Abdominal CT; this slice is in the lower chest, just above the liver; Axial slice 94/95; acquired on Brilliance16
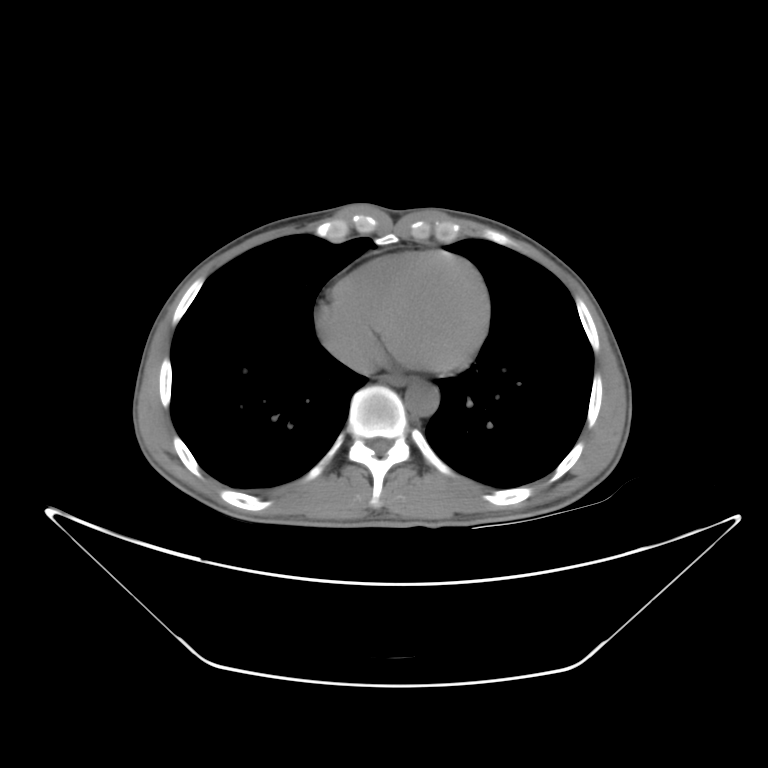 No part of the heart or lungs is labeled in this dataset, so neither has a box here.
<organs><organ name="esophagus" x1="384" y1="373" x2="418" y2="385"/><organ name="aorta" x1="405" y1="381" x2="439" y2="418"/><organ name="inferior vena cava" x1="324" y1="334" x2="380" y2="372"/></organs>